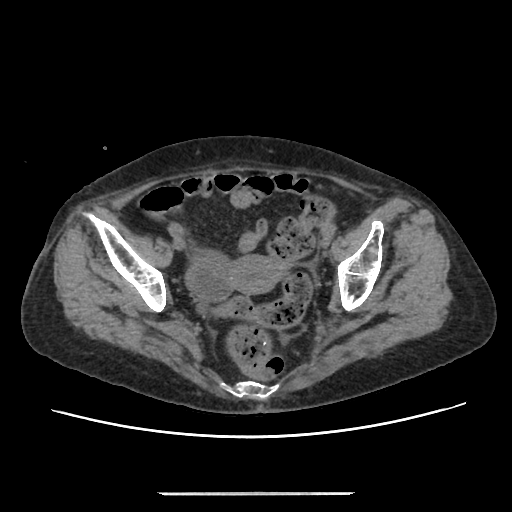

Abdominal CT; axial view; soft-tissue window (W 400 / L 40); 512x512 px
Boxes: x1:y1:x2:y2 in pixels.
prostate/uterus: 228:255:283:294